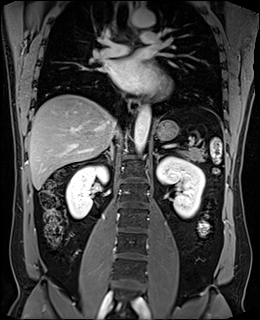 Magnetic resonance imaging, abdomen. coronal view. acquired on Prisma
Bounding boxes in pixels, one row per box: x1, y1 is the top-left corner and x2, y2 the bottom-right.
| organ | x1 | y1 | x2 | y2 |
|---|---|---|---|---|
| left kidney | 156 | 156 | 205 | 218 |
| inferior vena cava | 112 | 117 | 117 | 132 |
| right adrenal gland | 104 | 146 | 112 | 160 |
| aorta | 134 | 105 | 150 | 153 |
| aorta | 129 | 10 | 155 | 27 |
| liver | 28 | 94 | 121 | 189 |
| esophagus | 129 | 99 | 140 | 112 |
| esophagus | 128 | 1 | 138 | 9 |
| stomach | 155 | 119 | 178 | 141 |
| left adrenal gland | 156 | 154 | 162 | 163 |
| pancreas | 179 | 148 | 205 | 161 |
| right kidney | 66 | 166 | 108 | 218 |